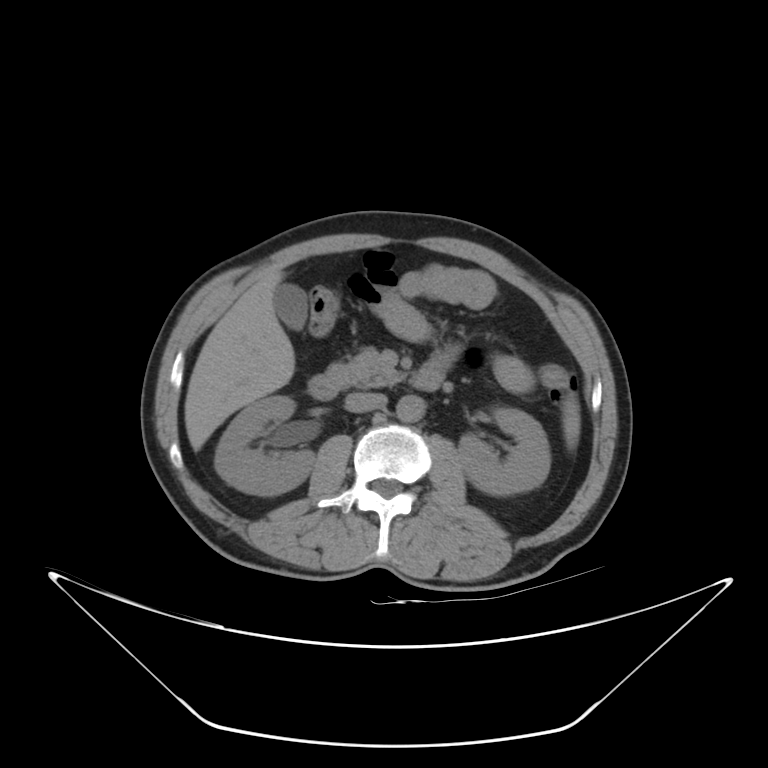

CT, abdomen/pelvis. axial view. W/L 400/40 HU. scan has 15 labeled organs (counted over the whole 3D scan, not this slice; an organ is boxed only where this slice passes through it)
Organ boxes in pixel coordinates; each row gives the top-left (x1, y1) and bottom-right (x2, y2) corners.
| organ | x1 | y1 | x2 | y2 |
|---|---|---|---|---|
| spleen | 563 | 396 | 579 | 450 |
| right kidney | 214 | 396 | 315 | 495 |
| left kidney | 457 | 407 | 550 | 495 |
| gall bladder | 274 | 283 | 307 | 329 |
| liver | 184 | 270 | 294 | 451 |
| aorta | 397 | 396 | 424 | 422 |
| inferior vena cava | 344 | 392 | 386 | 413 |
| pancreas | 326 | 347 | 404 | 387 |
| duodenum | 308 | 358 | 446 | 400 |